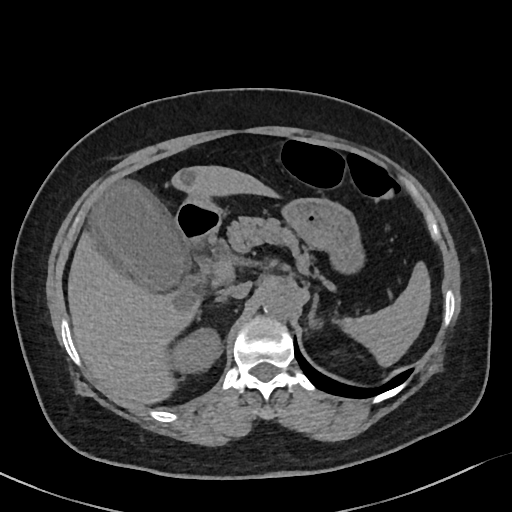
Computed tomography, abdomen · axial view · abdomen soft-tissue window
{"organs":{"spleen":[338,265,429,365],"right kidney":[170,330,219,370],"gall bladder":[88,181,185,289],"liver":[67,165,280,404],"stomach":[284,198,363,272],"aorta":[262,284,297,320],"inferior vena cava":[220,283,251,298],"pancreas":[212,216,308,265],"right adrenal gland":[214,295,228,305],"left adrenal gland":[308,296,317,324],"duodenum":[174,198,221,244]}}